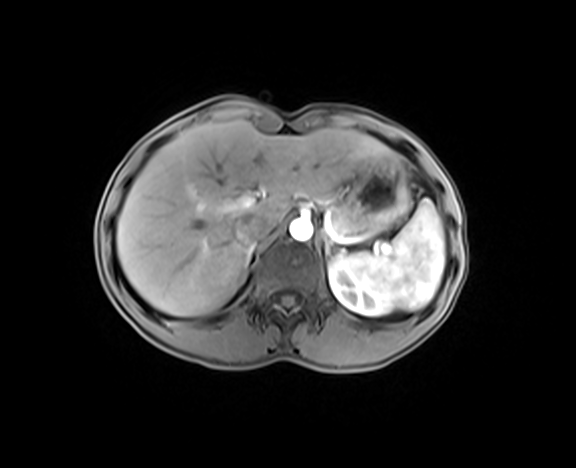

MRI, abdomen. axial view. percentile-normalized. acquired on Prisma
Each box given as x1,y1,x2,y2.
spleen: x1=356, y1=199, x2=444, y2=310
left kidney: x1=329, y1=254, x2=393, y2=315
liver: x1=117, y1=120, x2=399, y2=316
stomach: x1=344, y1=162, x2=411, y2=236
aorta: x1=289, y1=218, x2=313, y2=241
inferior vena cava: x1=232, y1=218, x2=270, y2=246
pancreas: x1=332, y1=208, x2=349, y2=232
right adrenal gland: x1=246, y1=247, x2=255, y2=269
left adrenal gland: x1=323, y1=235, x2=334, y2=254